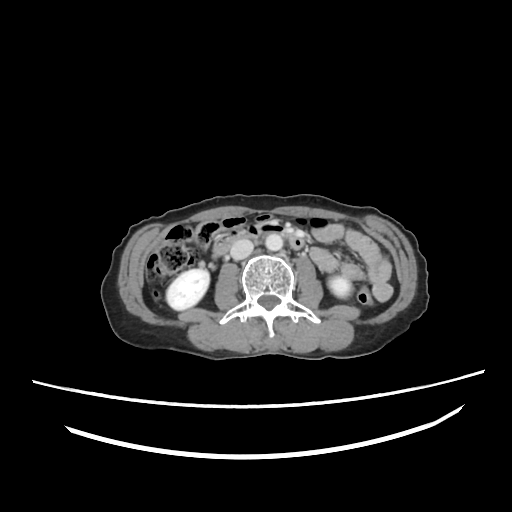 Abdominal CT · axial view · abdomen soft-tissue window · 512x512 px · 68-year-old female patient
<organs><organ name="right kidney" x1="166" y1="269" x2="210" y2="310"/><organ name="left kidney" x1="328" y1="275" x2="351" y2="299"/><organ name="aorta" x1="264" y1="234" x2="282" y2="251"/><organ name="inferior vena cava" x1="230" y1="239" x2="254" y2="258"/><organ name="duodenum" x1="213" y1="219" x2="284" y2="258"/></organs>